Abdominal CT reaching into the chest; this slice is in the chest. axial view. soft-tissue window
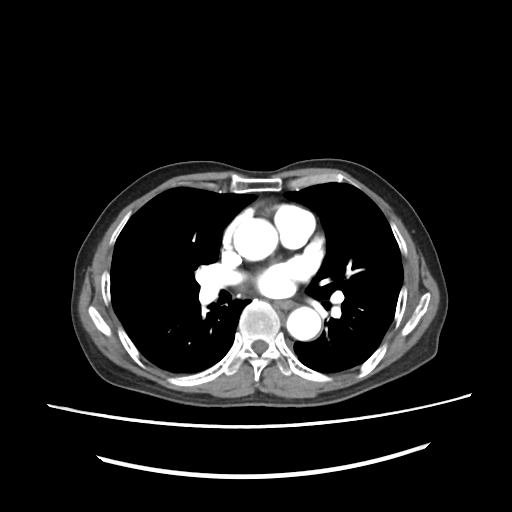 On a slice this high in the chest, this dataset labels only the esophagus and the aorta, and each is boxed only where it is labeled; the heart, lungs and other chest structures are not labeled.
Organ boxes in pixel coordinates; each row gives the top-left (x1, y1) and bottom-right (x2, y2) corners.
| organ | x1 | y1 | x2 | y2 |
|---|---|---|---|---|
| esophagus | 279 | 301 | 293 | 307 |
| aorta | 233 | 215 | 279 | 262 |
| aorta | 283 | 307 | 324 | 340 |